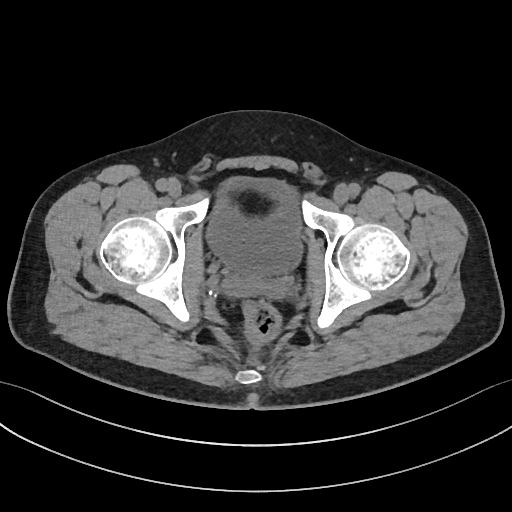

Computed tomography, abdomen. Axial slice 30/225. abdomen soft-tissue window. acquired on SOMATOM Force
<organs><organ name="bladder" x1="207" y1="178" x2="301" y2="276"/></organs>